CT abdomen — axial view — 512x512 px — SOMATOM Force scanner — scan has 15 labeled organs (that count is for the whole scan; organs this slice misses have no box)
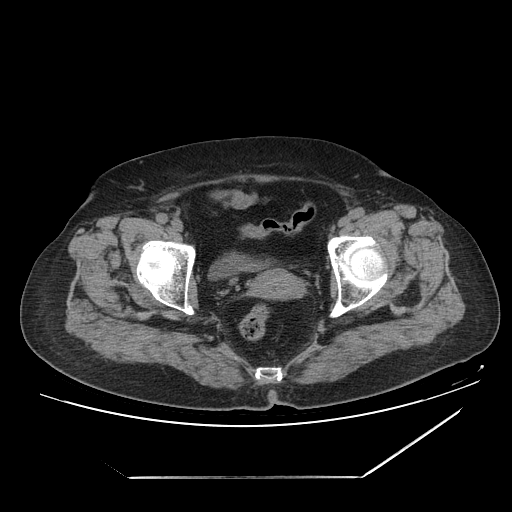 Boxes are (x1, y1, x2, y2) in pixels. The annotated organs in this slice are: prostate/uterus at (249, 268, 301, 298), bladder at (209, 253, 262, 279).